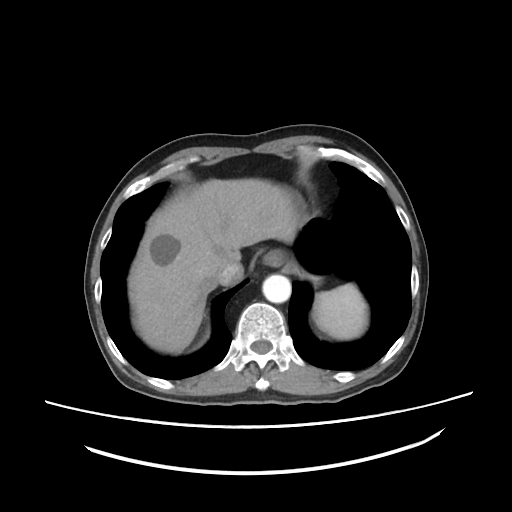 Computed tomography, abdomen — axial plane, index 78 — soft-tissue window (W 400 / L 40)
<organs><organ name="spleen" x1="313" y1="283" x2="367" y2="339"/><organ name="esophagus" x1="262" y1="249" x2="285" y2="266"/><organ name="liver" x1="128" y1="178" x2="299" y2="353"/><organ name="aorta" x1="262" y1="274" x2="291" y2="303"/><organ name="inferior vena cava" x1="217" y1="262" x2="243" y2="285"/></organs>